Abdominal CT — axial view — W/L 400/40 HU — scan has 15 labeled organs (a whole-scan count: organs this slice does not pass through have no box)
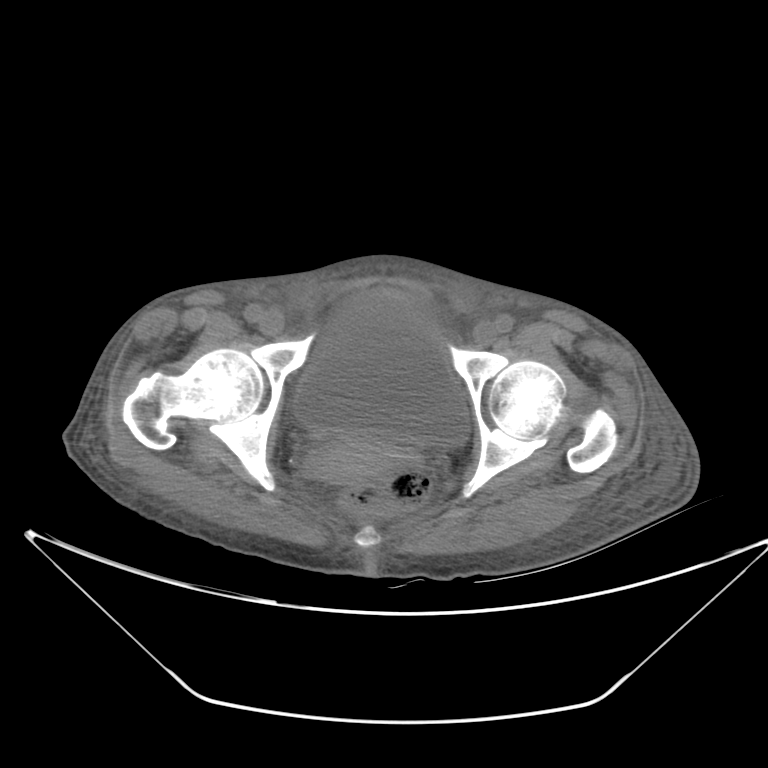 Boxes: x1 y1 x2 y2 (pixel coords, space-separated).
prostate/uterus: 305 434 403 484
bladder: 292 289 469 446